Computed tomography, abdomen; axial view; 62-year-old female patient
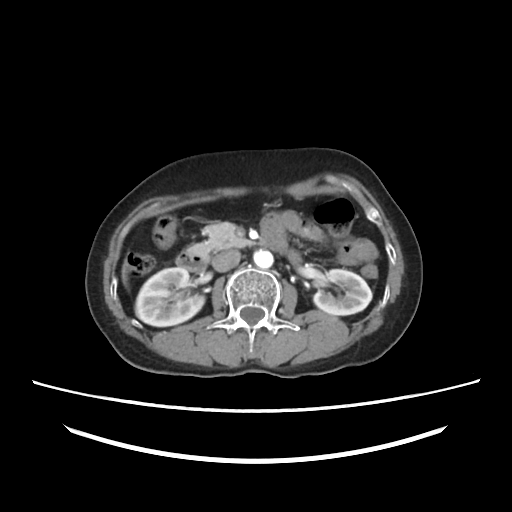

Bounding boxes in pixels, one row per box: x1, y1 is the top-left corner and x2, y2 the bottom-right.
| organ | x1 | y1 | x2 | y2 |
|---|---|---|---|---|
| duodenum | 176 | 240 | 288 | 271 |
| left kidney | 313 | 269 | 371 | 315 |
| pancreas | 188 | 222 | 250 | 257 |
| aorta | 253 | 249 | 273 | 268 |
| inferior vena cava | 212 | 250 | 240 | 271 |
| liver | 122 | 264 | 127 | 285 |
| right kidney | 135 | 267 | 204 | 326 |